Chest-level slice from an abdominal CT that extends up into the chest. Axial slice 257/314. W/L 400/40 HU
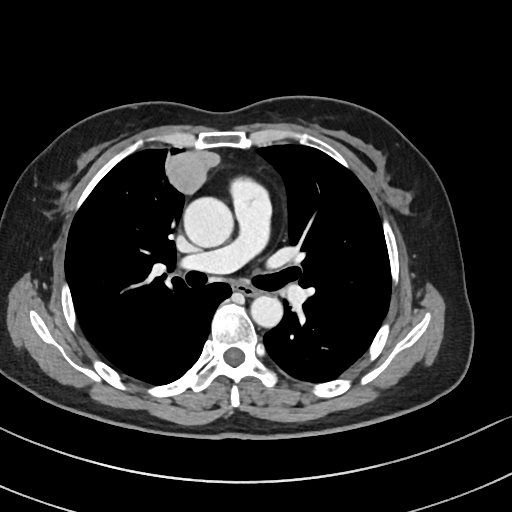 At this level of the chest this dataset labels only the esophagus and the aorta, and each is boxed only where it is labeled; the heart and lungs are never labeled.
Coordinates as <box>x1,y1,x2,y2</box> in pixels.
esophagus: <box>234,282,258,296</box>
aorta: <box>184,197,234,247</box>
aorta: <box>251,295,283,327</box>